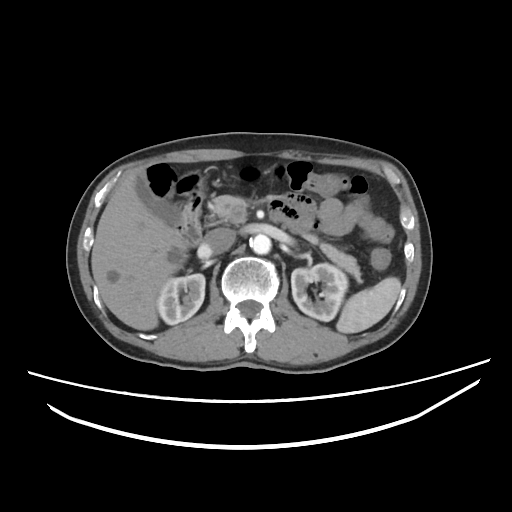

Computed tomography, abdomen. axial view. 512x512 px
<organs><organ name="spleen" x1="336" y1="277" x2="401" y2="333"/><organ name="right kidney" x1="157" y1="273" x2="205" y2="324"/><organ name="left kidney" x1="291" y1="263" x2="348" y2="321"/><organ name="gall bladder" x1="135" y1="173" x2="180" y2="225"/><organ name="liver" x1="91" y1="174" x2="187" y2="330"/><organ name="aorta" x1="249" y1="234" x2="271" y2="254"/><organ name="inferior vena cava" x1="199" y1="227" x2="235" y2="257"/><organ name="pancreas" x1="212" y1="195" x2="361" y2="282"/><organ name="duodenum" x1="172" y1="173" x2="203" y2="247"/></organs>